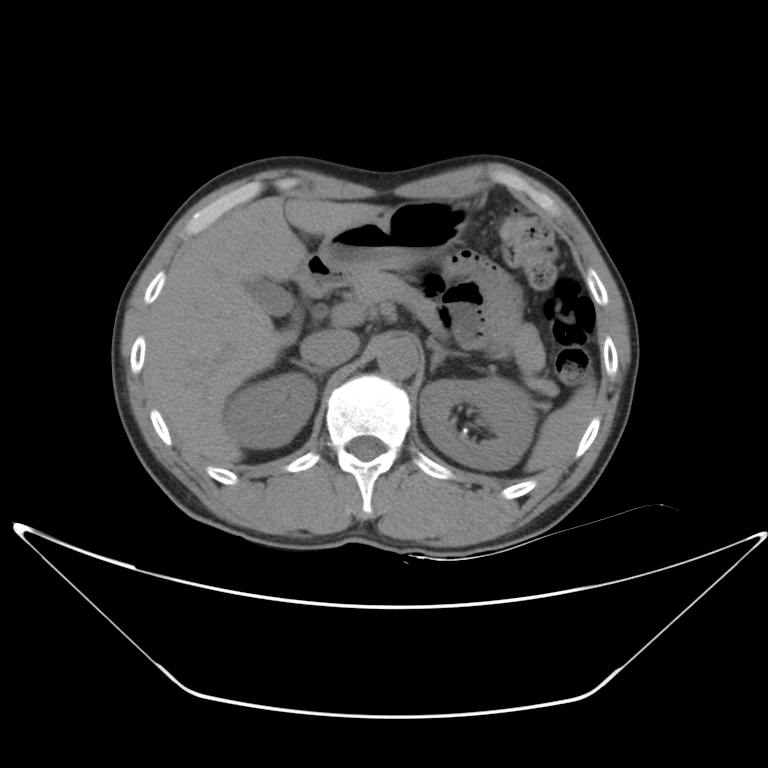 CT abdomen — Axial slice 72/93 — abdomen soft-tissue window — 768x768 px — Brilliance16 scanner
Each box given as x1,y1,x2,y2. 11 labeled organs on this slice — spleen at x1=525, y1=387, x2=594, y2=472; right kidney at x1=222, y1=372, x2=317, y2=448; left kidney at x1=419, y1=376, x2=538, y2=471; gall bladder at x1=246, y1=278, x2=294, y2=315; liver at x1=148, y1=194, x2=388, y2=460; stomach at x1=297, y1=200, x2=475, y2=301; aorta at x1=373, y1=338, x2=416, y2=378; inferior vena cava at x1=300, y1=327, x2=359, y2=369; pancreas at x1=349, y1=267, x2=559, y2=405; right adrenal gland at x1=289, y1=358, x2=323, y2=375; left adrenal gland at x1=427, y1=338, x2=468, y2=372.